Computed tomography, abdomen — axial plane, index 71 — Brilliance16 scanner — 15 organs annotated in this scan (that count is for the whole scan; organs this slice misses have no box)
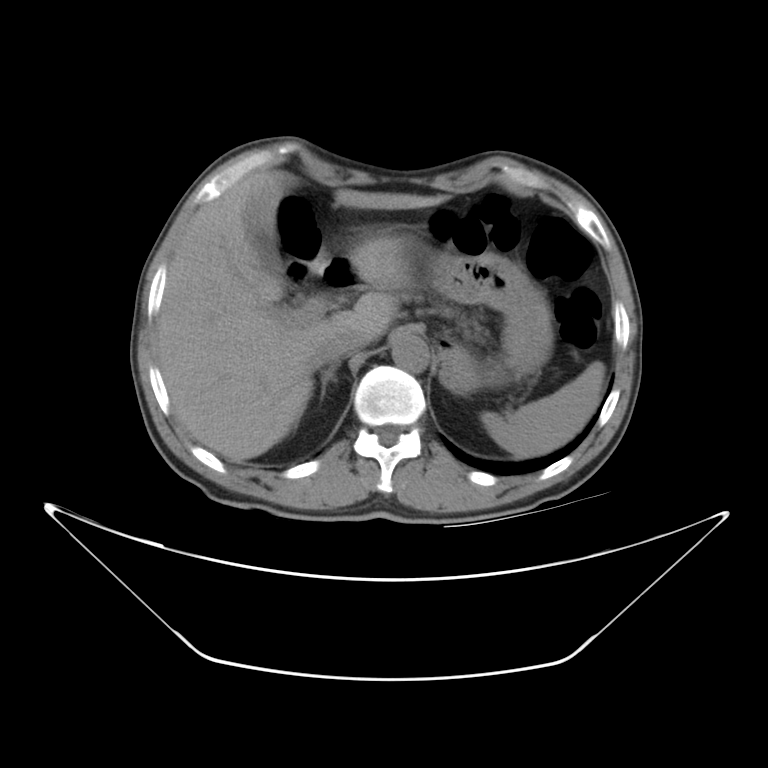

Box edges are left/top/right/bottom in pixels.
spleen: left=478, top=361, right=608, bottom=458
gall bladder: left=246, top=174, right=285, bottom=272
liver: left=157, top=171, right=449, bottom=460
stomach: left=318, top=234, right=552, bottom=390
aorta: left=391, top=333, right=429, bottom=371
inferior vena cava: left=317, top=326, right=375, bottom=362
pancreas: left=396, top=292, right=493, bottom=348
right adrenal gland: left=319, top=360, right=340, bottom=405
duodenum: left=301, top=253, right=362, bottom=295